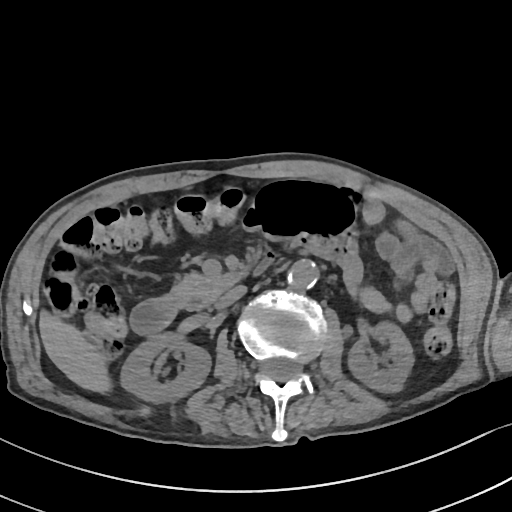 Abdominal CT · axial view · abdomen soft-tissue window
Boxes: x1 y1 x2 y2 (pixel coords, space-separated). The annotated organs in this slice are: inferior vena cava at 216 285 247 308, aorta at 289 259 319 288, liver at 39 314 108 390, pancreas at 169 270 243 309, left kidney at 349 322 413 392, duodenum at 130 249 276 333, right kidney at 119 333 209 402.